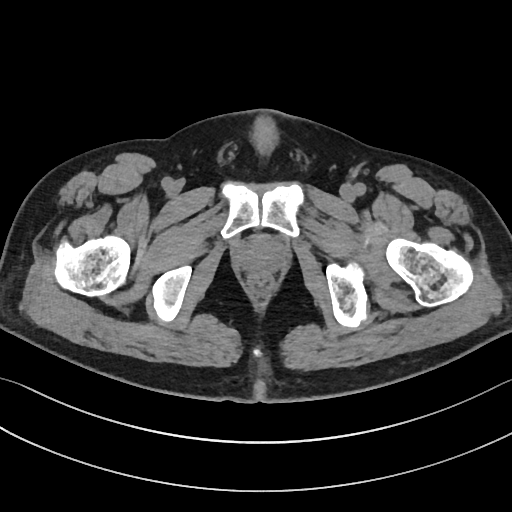
Abdominal CT. axial view. soft-tissue window (W 400 / L 40)
Boxes: x1:y1:x2:y2 in pixels.
prostate/uterus: 236:235:286:272